CT abdomen · Axial slice 27/191 · 512x512 px · scan has 15 labeled organs (a whole-scan count: organs this slice does not pass through have no box)
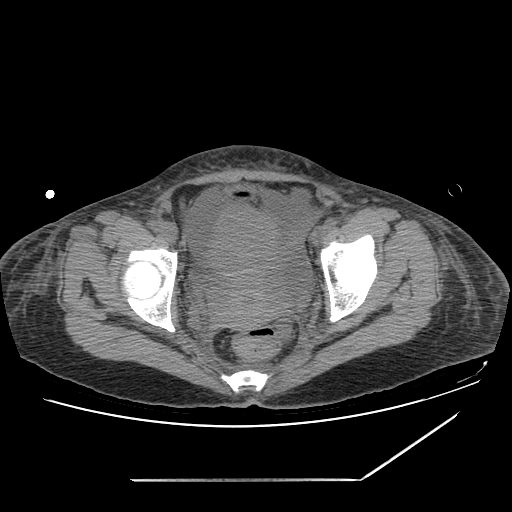

Bounding boxes as [x1, y1, x2, y2] in pixel coordinates. Labeled organs on this slice: bladder at [224, 185, 254, 199], prostate/uterus at [205, 202, 286, 328].